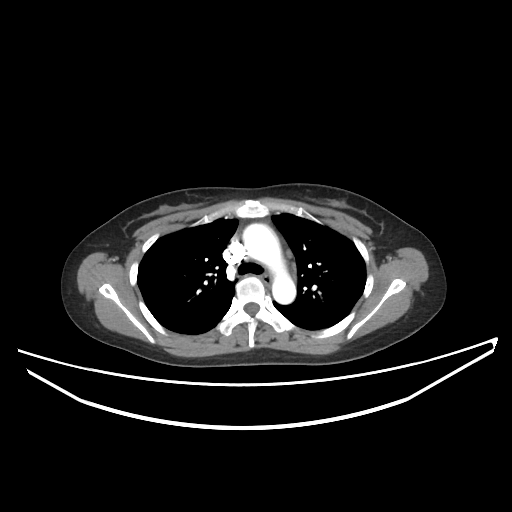
Chest-level slice from an abdominal CT that extends up into the chest. axial view. 512x512 px. acquired on Aquilion ONE. 15 organs annotated in this scan (a whole-scan count: organs this slice does not pass through have no box)
At this level of the chest no structure but the esophagus and the aorta has a label in this dataset, and those two are boxed only where they are labeled.
Boxes: x1:y1:x2:y2 in pixels.
esophagus: 261:275:272:284
aorta: 243:223:295:304